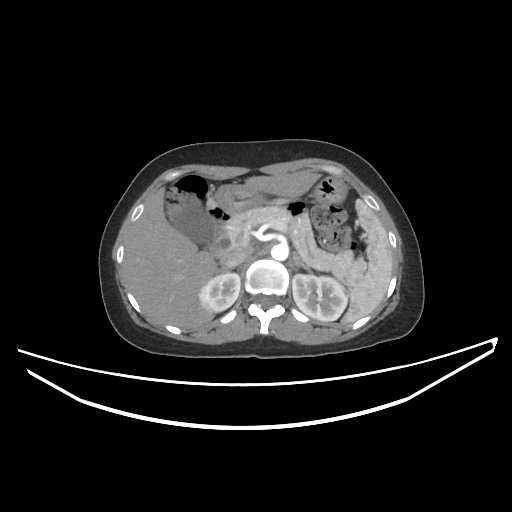

Computed tomography, abdomen; axial plane, index 72; abdomen soft-tissue window; 512x512 px
Bounding boxes in pixels, one row per box: x1, y1 is the top-left corner and x2, y2 the bottom-right.
| organ | x1 | y1 | x2 | y2 |
|---|---|---|---|---|
| spleen | 341 | 199 | 393 | 323 |
| right kidney | 198 | 273 | 240 | 312 |
| left kidney | 292 | 274 | 347 | 321 |
| gall bladder | 175 | 195 | 217 | 244 |
| liver | 123 | 170 | 320 | 328 |
| stomach | 213 | 177 | 346 | 215 |
| aorta | 271 | 244 | 288 | 260 |
| inferior vena cava | 221 | 249 | 252 | 268 |
| pancreas | 227 | 201 | 366 | 284 |
| right adrenal gland | 216 | 268 | 230 | 274 |
| left adrenal gland | 293 | 252 | 311 | 272 |
| duodenum | 206 | 200 | 230 | 257 |